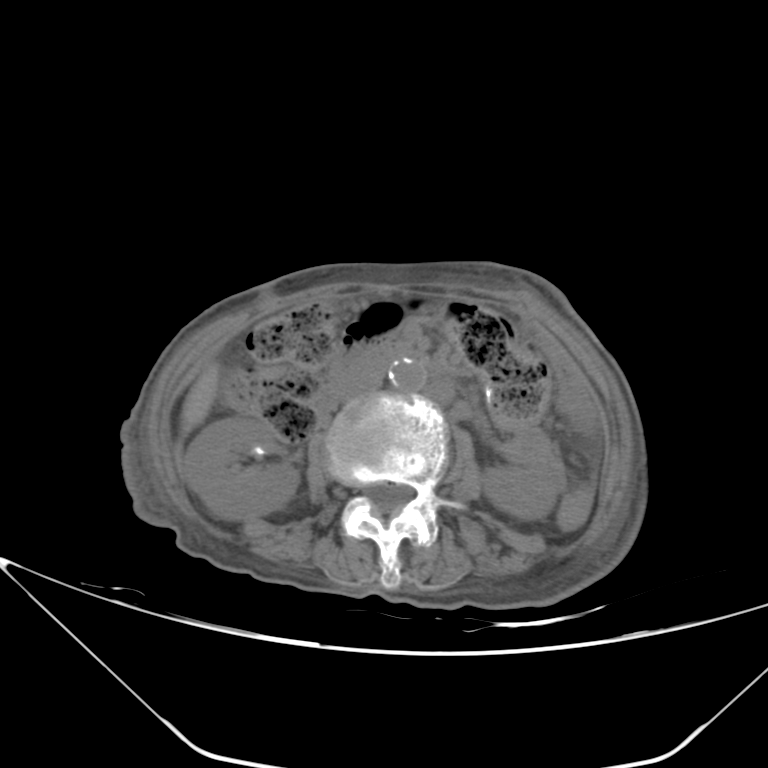 Computed tomography, abdomen. axial view. soft-tissue window (W 400 / L 40). 768x768 px. 80-year-old female patient
Each box given as x1,y1,x2,y2.
Organ bounding boxes:
- liver: x1=181, y1=363, x2=218, y2=432
- aorta: x1=389, y1=362, x2=426, y2=392
- duodenum: x1=318, y1=345, x2=422, y2=413
- inferior vena cava: x1=341, y1=369, x2=382, y2=401
- left kidney: x1=483, y1=466, x2=556, y2=519
- right kidney: x1=182, y1=417, x2=297, y2=519